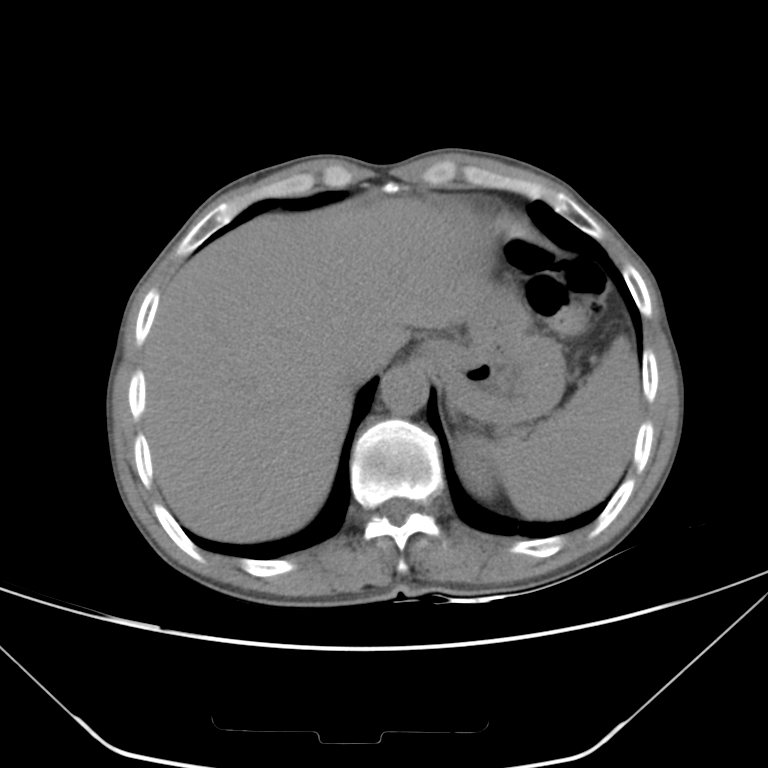 Abdominal CT · Axial slice 73/85 · W/L 400/40 HU
Box edges are left/top/right/bottom in pixels.
Organ bounding boxes:
- aorta: left=381, top=366, right=428, bottom=415
- left kidney: left=456, top=436, right=497, bottom=499
- liver: left=144, top=198, right=485, bottom=542
- spleen: left=490, top=335, right=640, bottom=519
- inferior vena cava: left=349, top=330, right=395, bottom=380
- stomach: left=419, top=283, right=564, bottom=423